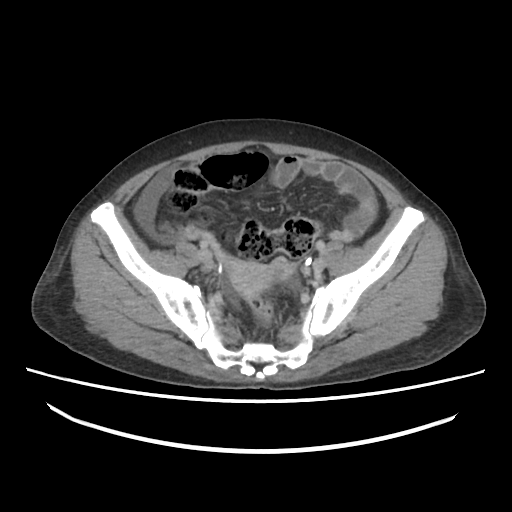 CT, abdomen/pelvis — axial view — soft-tissue window (W 400 / L 40)
Organ boxes in pixel coordinates; each row gives the top-left (x1, y1) and bottom-right (x2, y2) corners.
| organ | x1 | y1 | x2 | y2 |
|---|---|---|---|---|
| prostate/uterus | 229 | 258 | 272 | 297 |